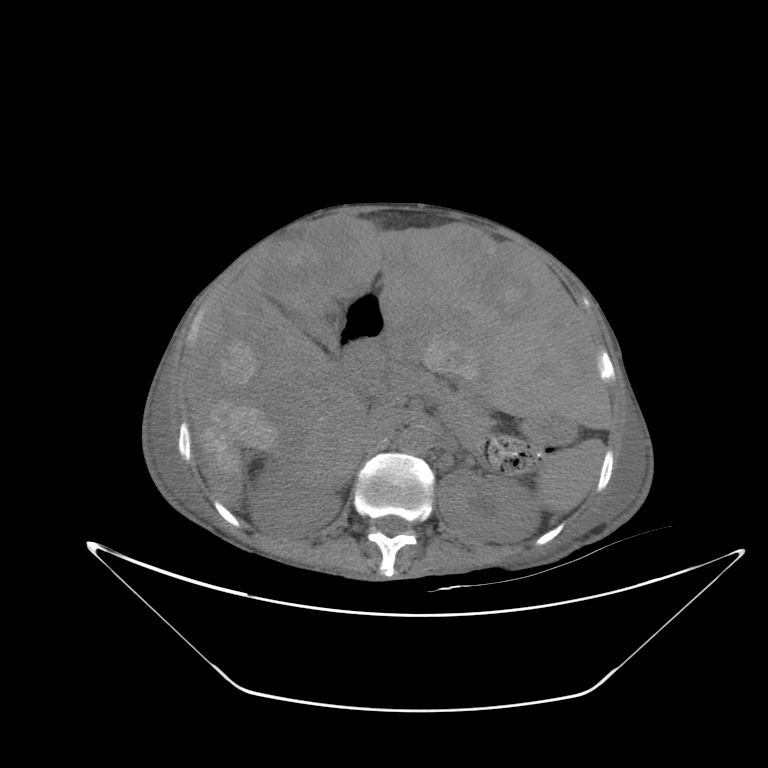
Abdominal CT — axial plane, index 70 — abdomen soft-tissue window
Box edges are left/top/right/bottom in pixels.
Organ bounding boxes:
- gall bladder: left=299, top=315, right=337, bottom=354
- stomach: left=356, top=294, right=575, bottom=445
- liver: left=186, top=218, right=610, bottom=506
- spleen: left=538, top=440, right=601, bottom=512
- left kidney: left=438, top=471, right=540, bottom=542
- pancreas: left=374, top=365, right=490, bottom=439
- aorta: left=397, top=423, right=432, bottom=454
- inferior vena cava: left=360, top=405, right=400, bottom=445
- right kidney: left=248, top=471, right=340, bottom=533
- duodenum: left=344, top=335, right=387, bottom=375